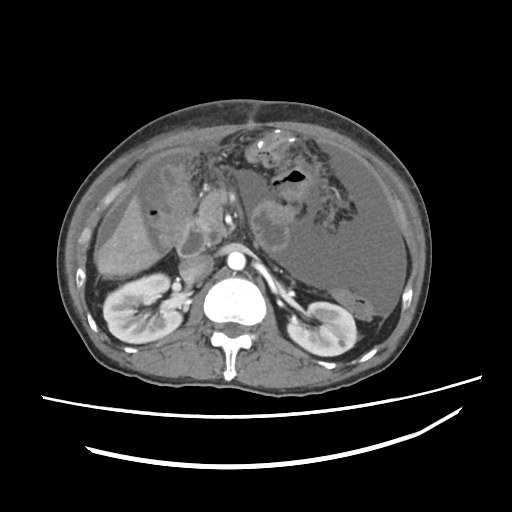
CT abdomen. axial plane, index 68. W/L 400/40 HU. 512x512 px
Boxes are (x1, y1, x2, y2) in pixels. 7 labeled organs on this slice — pancreas at (197, 186, 227, 245); right kidney at (103, 273, 181, 343); aorta at (228, 252, 246, 270); duodenum at (178, 218, 203, 256); liver at (96, 199, 156, 275); left kidney at (287, 301, 357, 356); inferior vena cava at (180, 254, 213, 283).